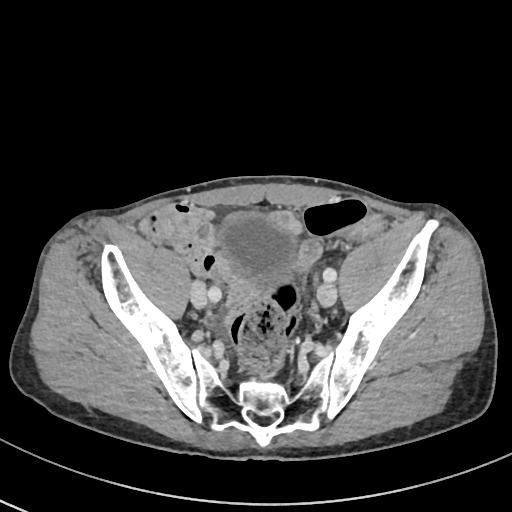

CT abdomen · axial plane, index 66
One row per box, in pixels: columns x1 and y1 give the top-left corner, x2 and y2 the bottom-right.
| organ | x1 | y1 | x2 | y2 |
|---|---|---|---|---|
| bladder | 219 | 210 | 295 | 286 |